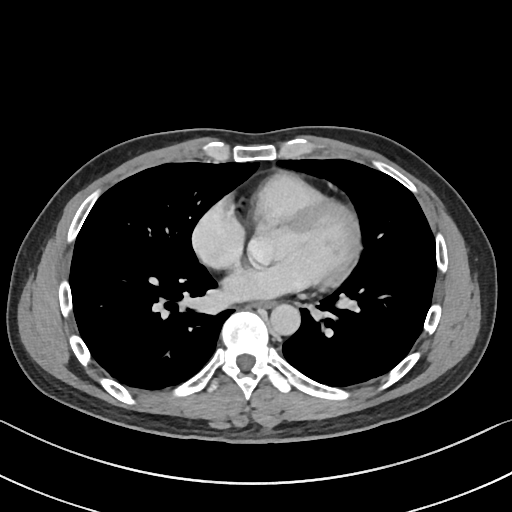
Abdominal CT; this slice is in the lower chest, just above the liver — axial view — soft-tissue window
The heart and lungs are never labeled in this dataset, so they have no box on this slice.
<organs><organ name="esophagus" x1="253" y1="302" x2="274" y2="308"/><organ name="aorta" x1="270" y1="304" x2="300" y2="335"/></organs>